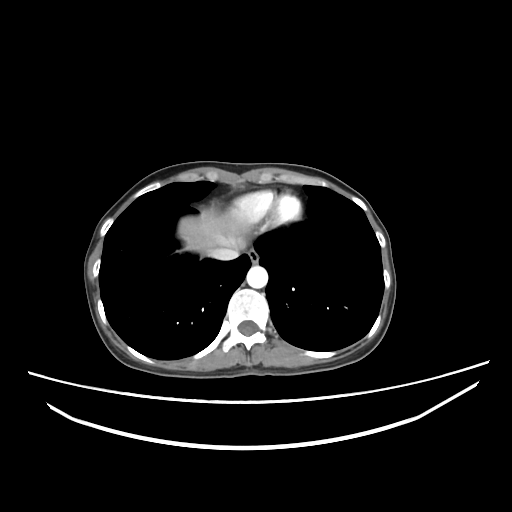
CT abdomen — Axial slice 69/114 — 512x512 px — 43-year-old female patient
Boxes: x1:y1:x2:y2 in pixels.
Organ bounding boxes:
- esophagus: 247:248:259:263
- liver: 178:212:246:255
- aorta: 246:266:268:288
- inferior vena cava: 210:247:238:260